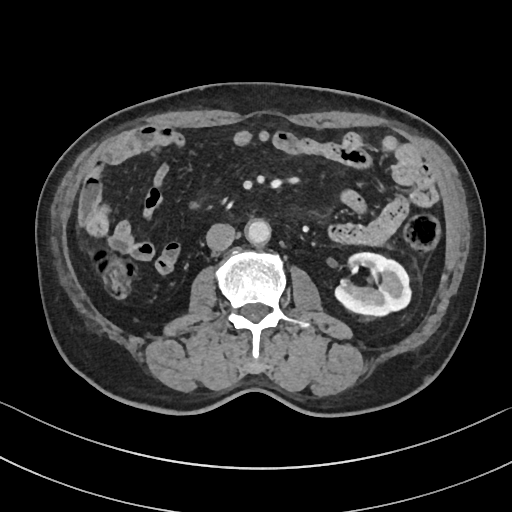 CT, abdomen/pelvis — axial view — W/L 400/40 HU — 512x512 px — scan has 14 labeled organs (that count is for the whole scan; organs this slice misses have no box)
<organs><organ name="left kidney" x1="335" y1="252" x2="411" y2="315"/><organ name="aorta" x1="245" y1="219" x2="270" y2="244"/><organ name="inferior vena cava" x1="206" y1="223" x2="235" y2="250"/></organs>